Abdominal CT; axial view; abdomen soft-tissue window; 55-year-old male patient; acquired on Aquilion ONE
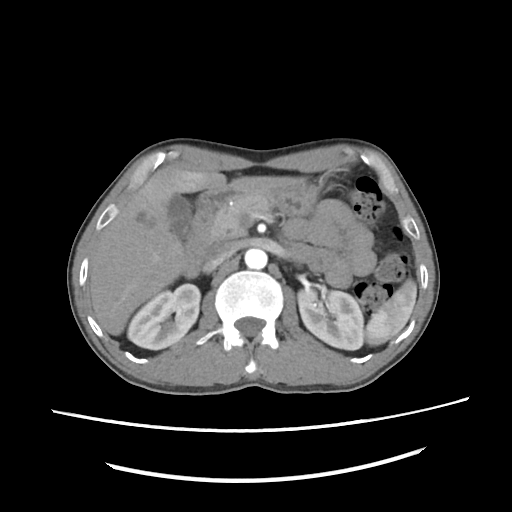 Bounding boxes in pixels, one row per box: x1, y1 is the top-left corner and x2, y2 the bottom-right.
| organ | x1 | y1 | x2 | y2 |
|---|---|---|---|---|
| spleen | 365 | 280 | 417 | 345 |
| right kidney | 128 | 282 | 200 | 348 |
| left kidney | 297 | 288 | 363 | 348 |
| gall bladder | 168 | 196 | 192 | 239 |
| liver | 88 | 166 | 298 | 335 |
| stomach | 202 | 179 | 316 | 214 |
| aorta | 245 | 248 | 267 | 268 |
| inferior vena cava | 201 | 242 | 236 | 272 |
| pancreas | 209 | 194 | 272 | 241 |
| duodenum | 183 | 202 | 216 | 276 |